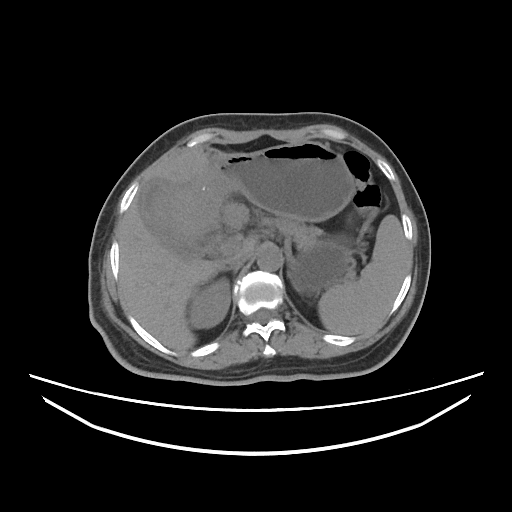
CT, abdomen/pelvis — Axial slice 79/97 — scan has 15 labeled organs (that count is for the whole scan; organs this slice misses have no box)
Boxes: x1 y1 x2 y2 (pixel coords, space-separated). The annotated organs in this slice are: stomach at 157 141 354 292, inferior vena cava at 234 251 253 268, gall bladder at 139 180 188 248, right adrenal gland at 225 265 238 275, spleen at 318 215 409 334, pancreas at 264 218 320 248, left adrenal gland at 288 273 289 275, liver at 119 146 257 351, right kidney at 188 277 230 328, aorta at 257 244 282 271.